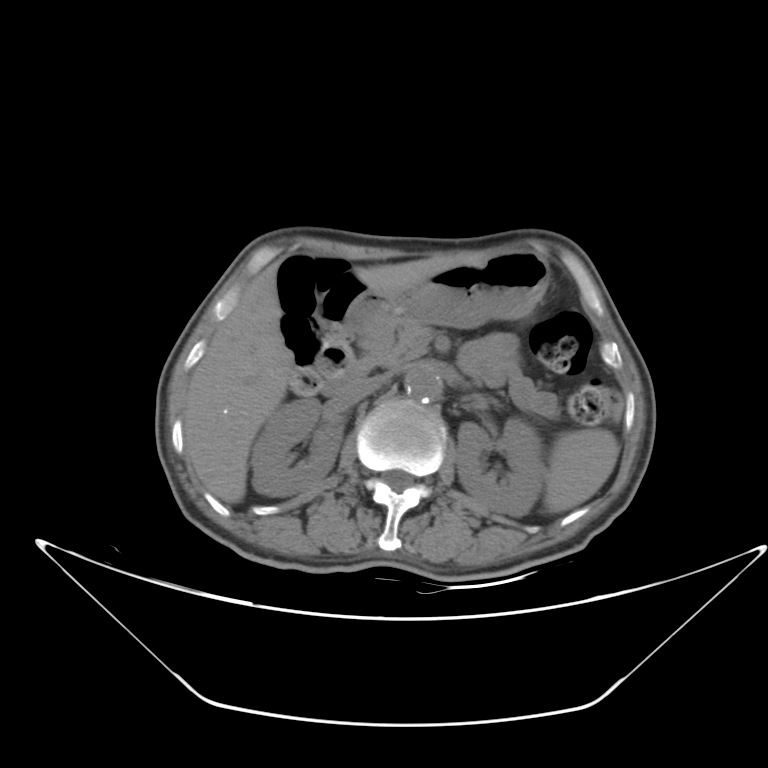 CT abdomen · axial plane, index 65 · 768x768 px
Boxes: x1:y1:x2:y2 in pixels. 9 labeled organs on this slice — spleen at 544:429:616:513; right kidney at 251:396:342:494; left kidney at 457:417:544:515; liver at 183:251:485:503; stomach at 348:249:552:329; aorta at 403:366:443:403; inferior vena cava at 335:377:383:412; pancreas at 379:328:430:367; duodenum at 321:323:394:396.